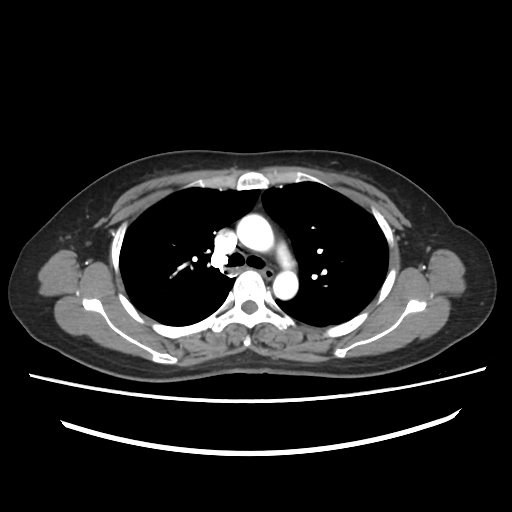

CT of the abdomen extending into the chest, slice through the chest. Axial slice 109/123. W/L 400/40 HU. 512x512 px. 15 organs annotated in this scan (that count is for the whole scan; organs this slice misses have no box)
At this level of the chest this dataset labels only the esophagus and the aorta, and each is boxed only where it is labeled; the heart and lungs are never labeled.
<organs><organ name="esophagus" x1="262" y1="268" x2="274" y2="279"/><organ name="aorta" x1="237" y1="214" x2="273" y2="252"/><organ name="aorta" x1="273" y1="271" x2="298" y2="299"/></organs>